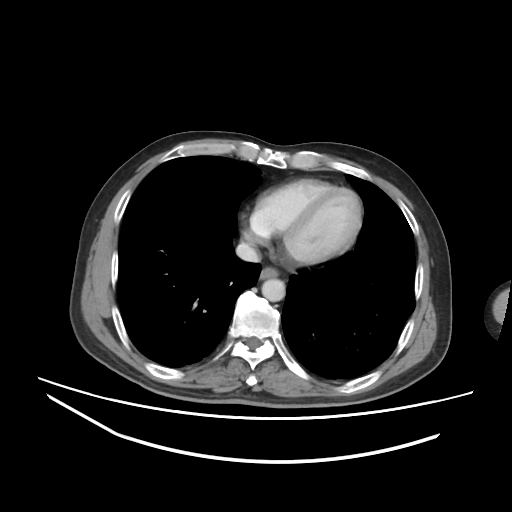 Lower-chest slice from an abdominal CT, just above the liver and spleen — axial view — soft-tissue window, W/L 400/40
The heart and lungs are never labeled in this dataset, so they have no box on this slice.
Each box given as x1,y1,x2,y2.
esophagus: x1=260, y1=266, x2=278, y2=279
aorta: x1=261, y1=278, x2=285, y2=301
inferior vena cava: x1=236, y1=242, x2=260, y2=262